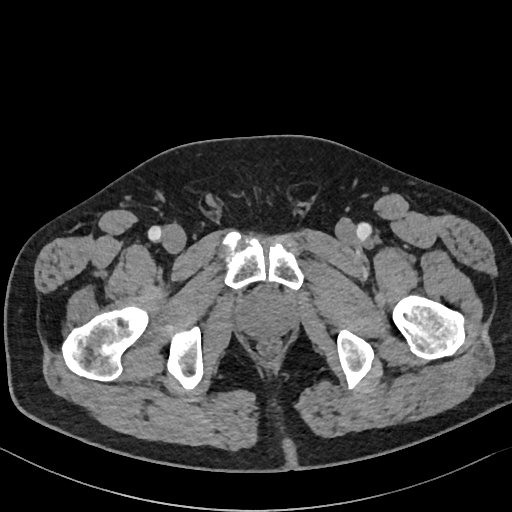

Computed tomography, abdomen; axial plane, index 11; abdomen soft-tissue window; 512x512 px; SOMATOM Force scanner
Boxes: x1:y1:x2:y2 in pixels. Labeled organs on this slice: prostate/uterus at 237:292:293:336.